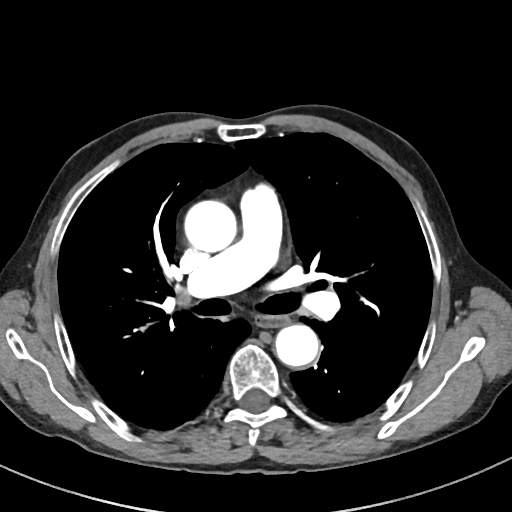
Abdominal CT reaching into the chest; this slice is in the chest. axial view. 512x512 px. acquired on SOMATOM Force
At this level of the chest no structure but the esophagus and the aorta has a label in this dataset, and those two are boxed only where they are labeled. Boxes: x1:y1:x2:y2 in pixels. Labeled organs on this slice: esophagus at 255:314:287:327, aorta at 185:200:237:252, aorta at 275:323:318:366.